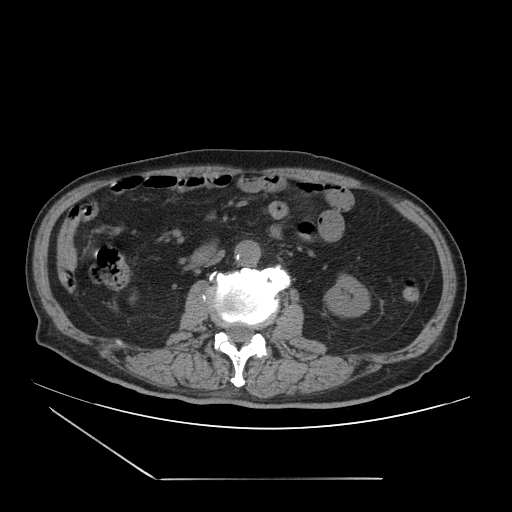
Computed tomography, abdomen. axial view. 512x512 px. 15 organs annotated in this scan (that count is for the whole scan; organs this slice misses have no box)
{"organs":{"duodenum":[192,245,214,264],"inferior vena cava":[206,250,224,265],"left kidney":[324,274,370,317],"aorta":[234,240,260,266]}}